Computed tomography, abdomen. axial view
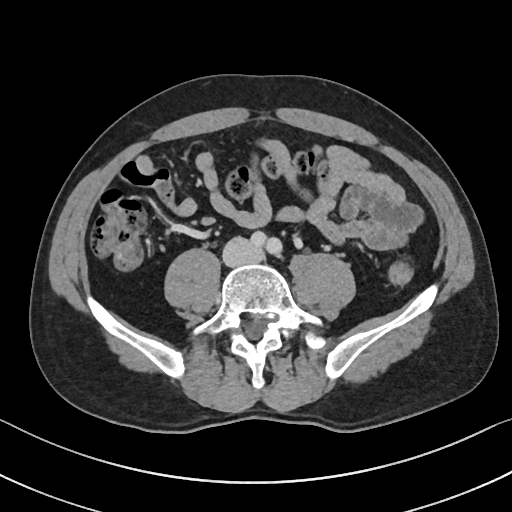 One row per box, in pixels: columns x1 and y1 give the top-left corner, x2 and y2 the bottom-right.
| organ | x1 | y1 | x2 | y2 |
|---|---|---|---|---|
| inferior vena cava | 222 | 237 | 261 | 266 |